CT, abdomen/pelvis — axial plane, index 14 — soft-tissue window — 512x512 px
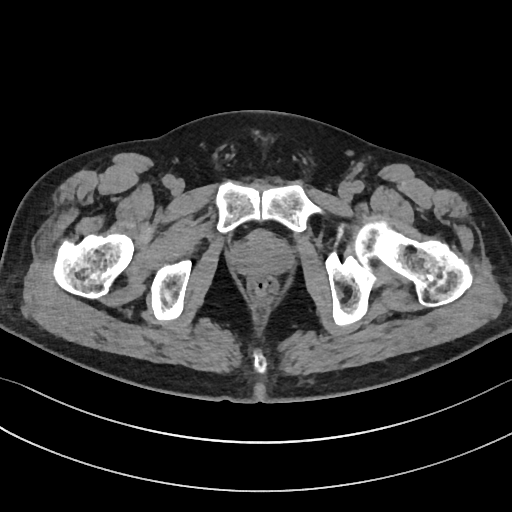

<organs><organ name="bladder" x1="248" y1="230" x2="270" y2="238"/><organ name="prostate/uterus" x1="232" y1="236" x2="290" y2="275"/></organs>